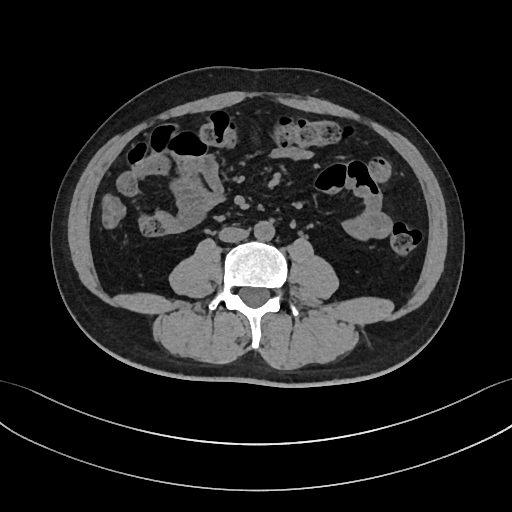

CT abdomen; axial view; soft-tissue window; 512x512 px; scan has 15 labeled organs (a whole-scan count: organs this slice does not pass through have no box)
<organs><organ name="aorta" x1="253" y1="221" x2="274" y2="241"/><organ name="inferior vena cava" x1="219" y1="226" x2="248" y2="242"/></organs>